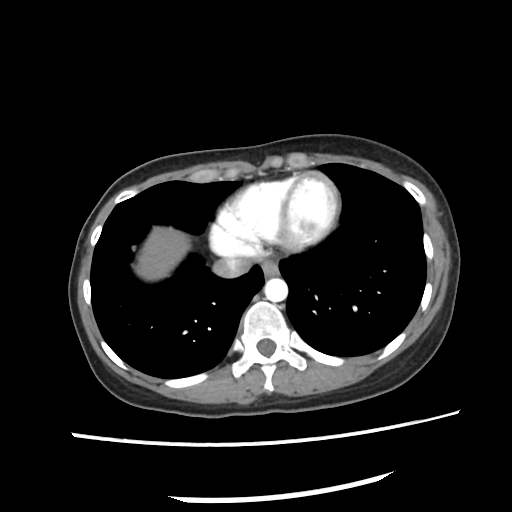

Abdominal CT. axial plane, index 83. soft-tissue window (W 400 / L 40). 15 organs annotated in this scan (that count is for the whole scan; organs this slice misses have no box)
Box edges are left/top/right/bottom in pixels.
Organ bounding boxes:
- esophagus: left=262, top=260, right=278, bottom=277
- aorta: left=264, top=278, right=289, bottom=302
- inferior vena cava: left=213, top=256, right=248, bottom=277
- liver: left=136, top=228, right=191, bottom=279